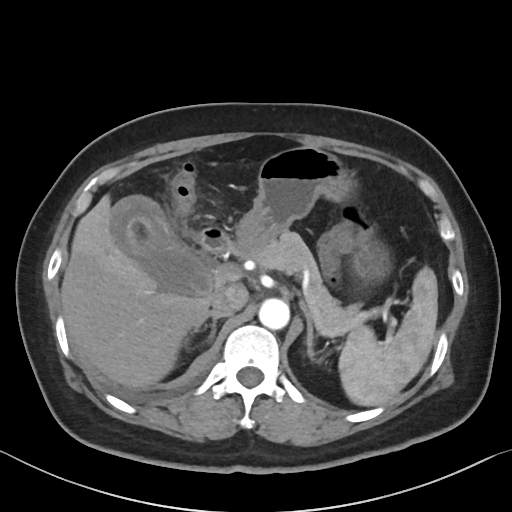

CT abdomen — Axial slice 65/88 — scan has 15 labeled organs (that count is for the whole scan; organs this slice misses have no box)
<organs><organ name="duodenum" x1="199" y1="227" x2="230" y2="253"/><organ name="spleen" x1="339" y1="267" x2="437" y2="406"/><organ name="inferior vena cava" x1="210" y1="284" x2="248" y2="316"/><organ name="pancreas" x1="249" y1="231" x2="359" y2="329"/><organ name="left adrenal gland" x1="299" y1="300" x2="314" y2="359"/><organ name="aorta" x1="259" y1="298" x2="289" y2="329"/><organ name="gall bladder" x1="108" y1="196" x2="211" y2="297"/><organ name="stomach" x1="233" y1="146" x2="391" y2="280"/><organ name="liver" x1="60" y1="195" x2="212" y2="388"/><organ name="right adrenal gland" x1="193" y1="311" x2="220" y2="343"/></organs>